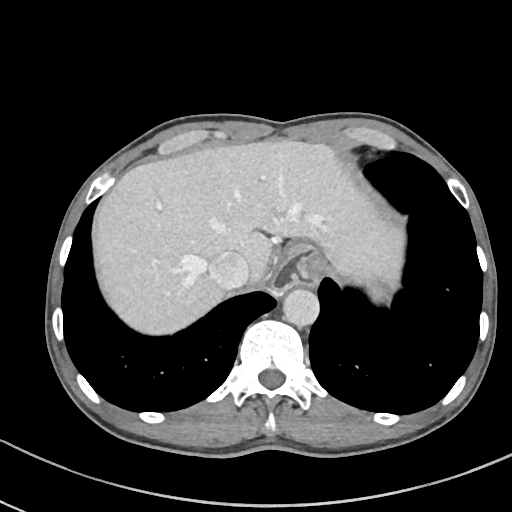

CT, abdomen/pelvis. axial view. W/L 400/40 HU. 512x512 px. acquired on SOMATOM Force. 15 organs annotated in this scan (a whole-scan count: organs this slice does not pass through have no box)
Organ boxes in pixel coordinates; each row gives the top-left (x1, y1) and bottom-right (x2, y2) corners.
| organ | x1 | y1 | x2 | y2 |
|---|---|---|---|---|
| spleen | 368 | 282 | 392 | 301 |
| liver | 93 | 139 | 403 | 334 |
| stomach | 272 | 242 | 326 | 290 |
| aorta | 283 | 288 | 319 | 326 |
| inferior vena cava | 208 | 251 | 249 | 289 |